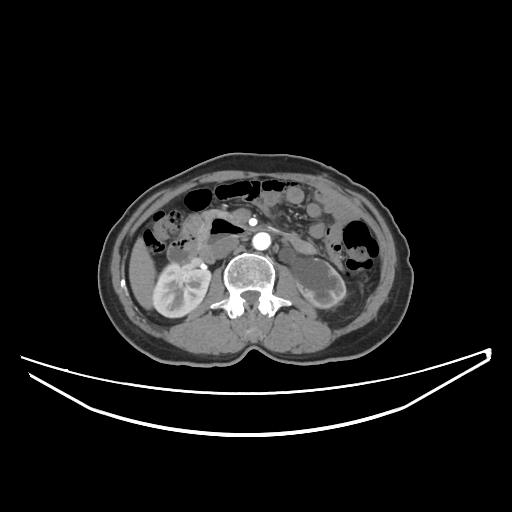 CT abdomen · Axial slice 56/120 · 512x512 px · 62-year-old male patient · Aquilion ONE scanner · 15 organs annotated in this scan (a whole-scan count: organs this slice does not pass through have no box)
Bounding boxes as [x1, y1, x2, y2] in pixel coordinates. 7 labeled organs on this slice — right kidney at [152, 263, 211, 317]; liver at [129, 237, 155, 309]; left kidney at [296, 258, 346, 308]; inferior vena cava at [213, 236, 238, 258]; pancreas at [196, 209, 234, 240]; duodenum at [183, 214, 253, 262]; aorta at [252, 232, 270, 250].